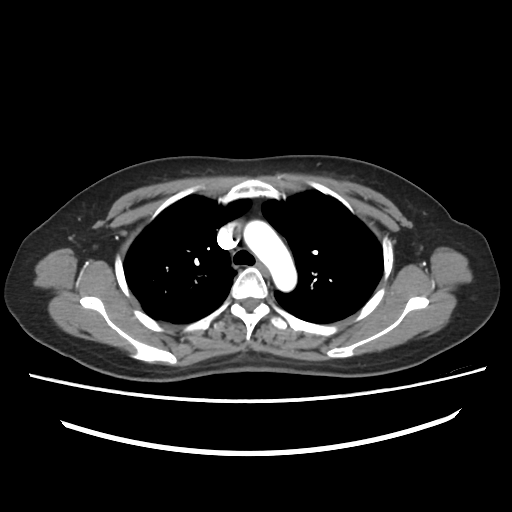
CT of the abdomen extending into the chest, slice through the chest; Axial slice 111/123; 512x512 px; 45-year-old female patient
At this level of the chest this dataset labels only the esophagus and the aorta, and each is boxed only where it is labeled; the heart and lungs are never labeled. Boxes: x1:y1:x2:y2 in pixels. Labeled organs on this slice: esophagus at 256:262:270:277, aorta at 243:220:296:291.